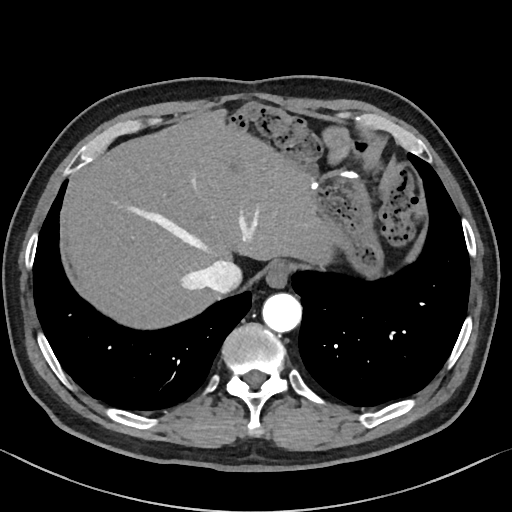 CT, abdomen/pelvis. axial plane, index 186. 512x512 px. acquired on SOMATOM Force
Boxes: x1 y1 x2 y2 (pixel coords, space-separated).
esophagus: 266 262 291 287
liver: 65 110 333 329
stomach: 312 170 383 278
aorta: 262 293 301 332
inferior vena cava: 200 260 241 293